CT, abdomen/pelvis · axial view · 512x512 px · scan has 15 labeled organs (counted over the whole 3D scan, not this slice; an organ is boxed only where this slice passes through it)
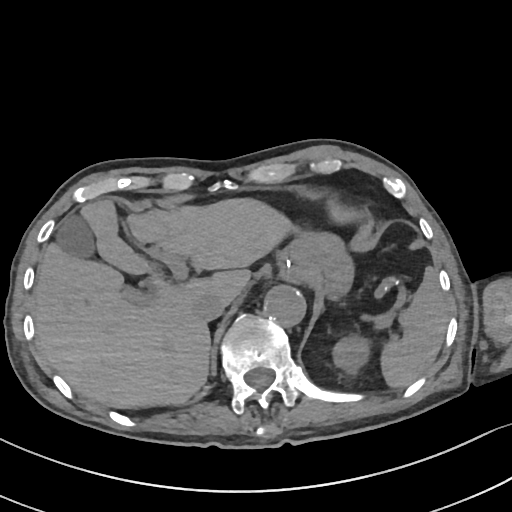 Box edges are left/top/right/bottom in pixels.
liver: left=33, top=198, right=292, bottom=409
spleen: left=381, top=268, right=448, bottom=388
inferior vena cava: left=194, top=294, right=228, bottom=321
gall bladder: left=58, top=216, right=93, bottom=255
left kidney: left=333, top=337, right=369, bottom=374
aorta: left=264, top=286, right=307, bottom=327
stomach: left=278, top=234, right=350, bottom=288